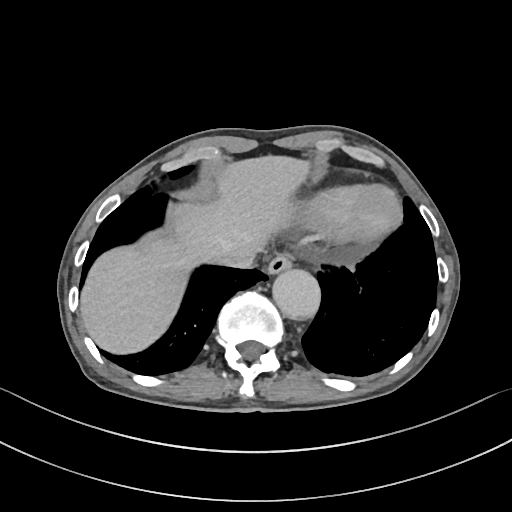

Computed tomography, abdomen; Axial slice 185/204; 15 organs annotated in this scan (a whole-scan count: organs this slice does not pass through have no box)
Box edges are left/top/right/bottom in pixels. 4 labeled organs on this slice — esophagus at left=265, top=256, right=291, bottom=276; liver at left=81, top=157, right=310, bottom=352; aorta at left=273, top=270, right=321, bottom=321; inferior vena cava at left=212, top=243, right=258, bottom=268.